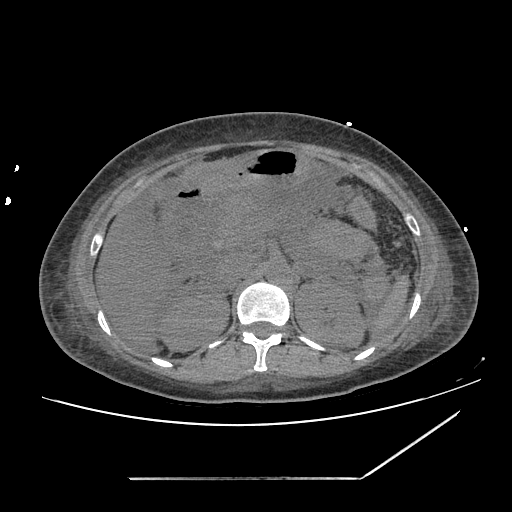 Abdominal CT · axial view · abdomen soft-tissue window · 512x512 px · acquired on SOMATOM Force
<organs><organ name="spleen" x1="370" y1="276" x2="411" y2="338"/><organ name="right kidney" x1="161" y1="293" x2="229" y2="350"/><organ name="left kidney" x1="295" y1="283" x2="363" y2="348"/><organ name="liver" x1="96" y1="210" x2="170" y2="351"/><organ name="stomach" x1="181" y1="150" x2="310" y2="196"/><organ name="aorta" x1="265" y1="259" x2="290" y2="284"/><organ name="inferior vena cava" x1="216" y1="258" x2="250" y2="288"/><organ name="pancreas" x1="212" y1="195" x2="262" y2="248"/><organ name="left adrenal gland" x1="304" y1="278" x2="306" y2="280"/><organ name="duodenum" x1="162" y1="185" x2="208" y2="253"/></organs>